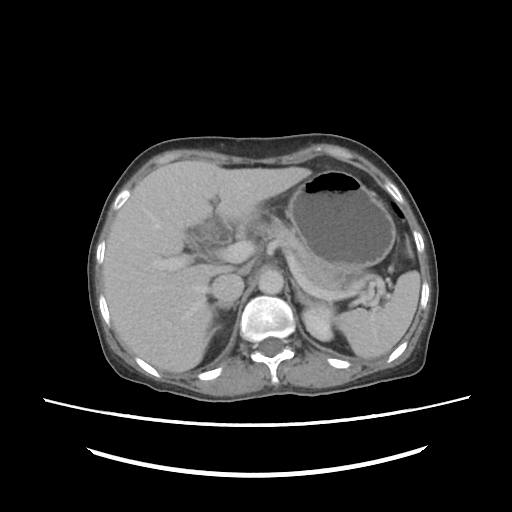

CT, abdomen/pelvis; axial plane, index 75; soft-tissue window (W 400 / L 40); 512x512 px; acquired on Aquilion ONE
Boxes: x1:y1:x2:y2 in pixels.
liver: 103:160:309:371
pancreas: 272:231:347:288
aorta: 257:267:282:293
inferior vena cava: 211:273:244:302
right kidney: 209:324:221:337
spleen: 335:271:421:358
stomach: 287:169:396:276
left kidney: 303:302:334:341
left adrenal gland: 293:280:313:304
right adrenal gland: 209:301:233:310